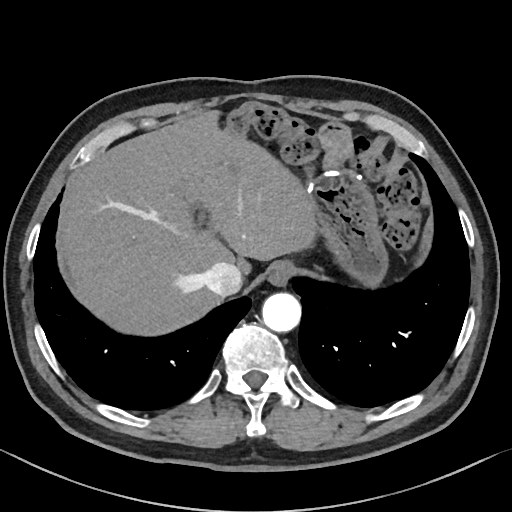

Abdominal CT; axial plane, index 184; acquired on SOMATOM Force
Organ boxes in pixel coordinates; each row gives the top-left (x1, y1) and bottom-right (x2, y2) corners.
| organ | x1 | y1 | x2 | y2 |
|---|---|---|---|---|
| esophagus | 268 | 259 | 296 | 284 |
| liver | 61 | 112 | 317 | 335 |
| stomach | 307 | 169 | 390 | 286 |
| aorta | 261 | 292 | 301 | 332 |
| inferior vena cava | 202 | 263 | 242 | 297 |